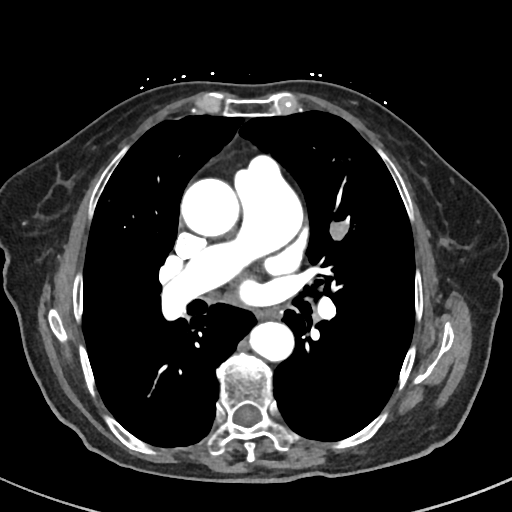

Chest-level slice from an abdominal CT that extends up into the chest. axial plane, index 214. 512x512 px
At this level of the chest this dataset labels only the esophagus and the aorta, and each is boxed only where it is labeled; the heart and lungs are never labeled.
<organs><organ name="esophagus" x1="260" y1="308" x2="277" y2="317"/><organ name="aorta" x1="180" y1="177" x2="239" y2="236"/><organ name="aorta" x1="251" y1="321" x2="295" y2="362"/></organs>